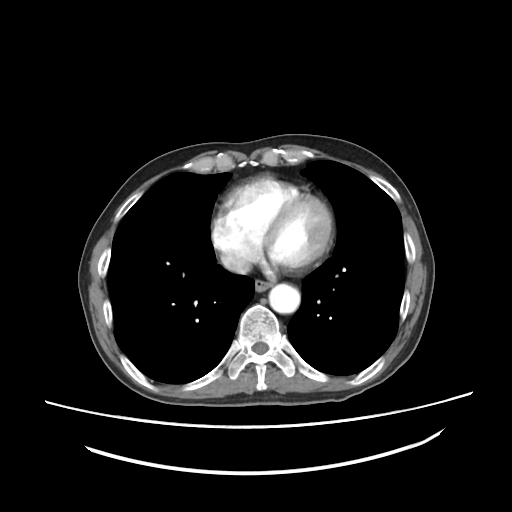 CT of the abdomen reaching into the lower chest, slice just above the liver and spleen. axial view. 512x512 px. acquired on Aquilion ONE
The heart and lungs are never labeled in this dataset, so they have no box on this slice.
Box edges are left/top/right/bottom in pixels.
Organ bounding boxes:
- esophagus: left=254, top=280, right=270, bottom=291
- aorta: left=269, top=283, right=300, bottom=313
- inferior vena cava: left=222, top=257, right=248, bottom=272